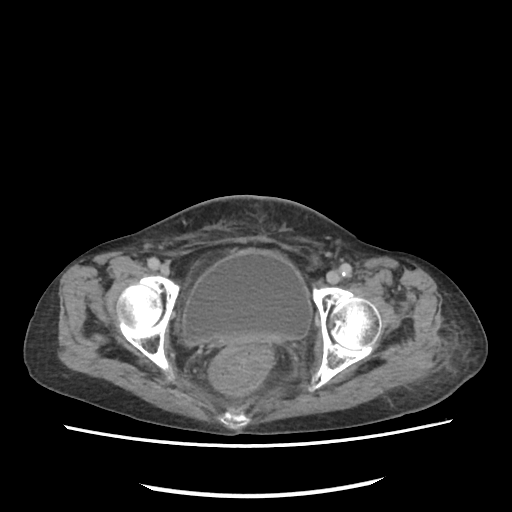
CT abdomen. axial view. 512x512 px. 52-year-old female patient. scan has 14 labeled organs (counted over the whole 3D scan, not this slice; an organ is boxed only where this slice passes through it)
Organ boxes in pixel coordinates; each row gives the top-left (x1, y1) and bottom-right (x2, y2) corners.
| organ | x1 | y1 | x2 | y2 |
|---|---|---|---|---|
| bladder | 183 | 250 | 312 | 344 |